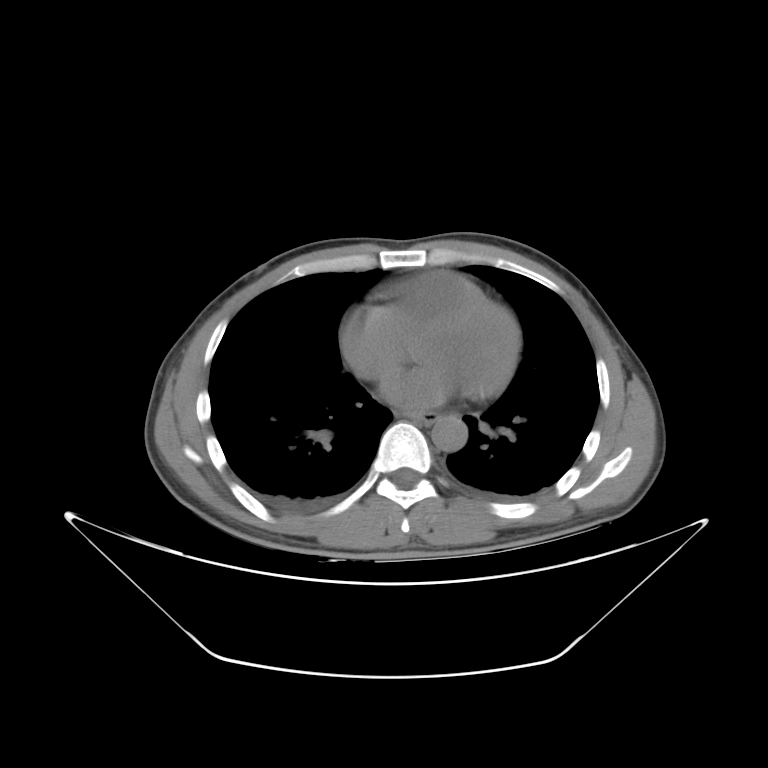
CT of the abdomen reaching into the lower chest, slice just above the liver and spleen · axial plane, index 90 · soft-tissue window (W 400 / L 40) · 39-year-old male patient
No part of the heart or lungs is labeled in this dataset, so neither has a box here. Each box given as x1,y1,x2,y2. 2 labeled organs on this slice — esophagus at x1=398, y1=412, x2=437, y2=425; aorta at x1=431, y1=415, x2=467, y2=451.